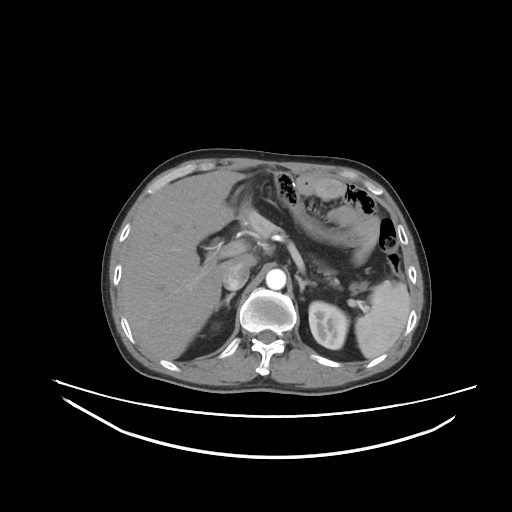

Abdominal CT; axial view; soft-tissue window (W 400 / L 40); 512x512 px; 52-year-old male patient; scan has 15 labeled organs (that count is for the whole scan; organs this slice misses have no box)
Each box given as x1,y1,x2,y2. The annotated organs in this slice are: spleen at x1=355, y1=280, x2=410, y2=358, right kidney at x1=211, y1=323, x2=219, y2=329, left kidney at x1=309, y1=301, x2=349, y2=349, liver at x1=119, y1=170, x2=257, y2=359, aorta at x1=266, y1=269, x2=286, y2=289, inferior vena cava at x1=223, y1=263, x2=249, y2=290, pancreas at x1=247, y1=211, x2=339, y2=286, right adrenal gland at x1=216, y1=292, x2=235, y2=310, left adrenal gland at x1=295, y1=272, x2=316, y2=292.